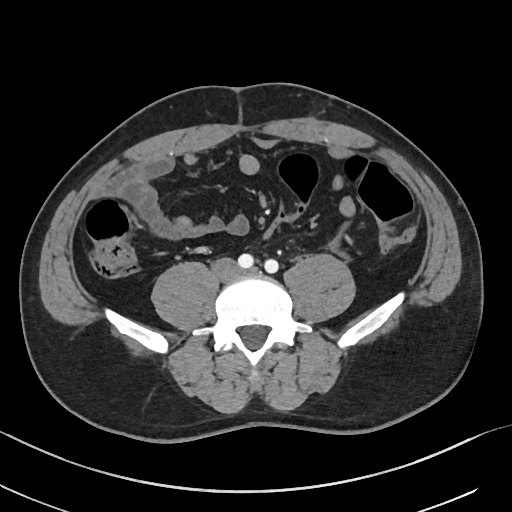
CT abdomen · axial view · soft-tissue window · scan has 15 labeled organs (a whole-scan count: organs this slice does not pass through have no box)
Boxes: x1 y1 x2 y2 (pixel coords, space-separated). The annotated organs in this slice are: inferior vena cava at 211 258 239 283.